Computed tomography, abdomen — axial plane, index 60 — soft-tissue window — 46-year-old male patient — scan has 15 labeled organs (a whole-scan count: organs this slice does not pass through have no box)
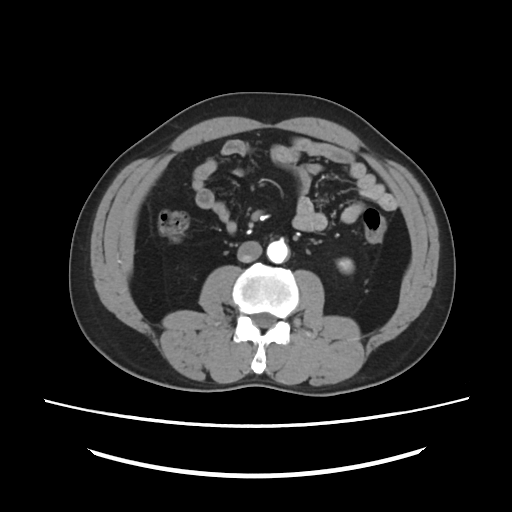

Bounding boxes as [x1, y1, x2, y2] in pixel coordinates.
inferior vena cava: [237, 240, 262, 262]
left kidney: [338, 258, 353, 272]
aorta: [267, 240, 288, 263]